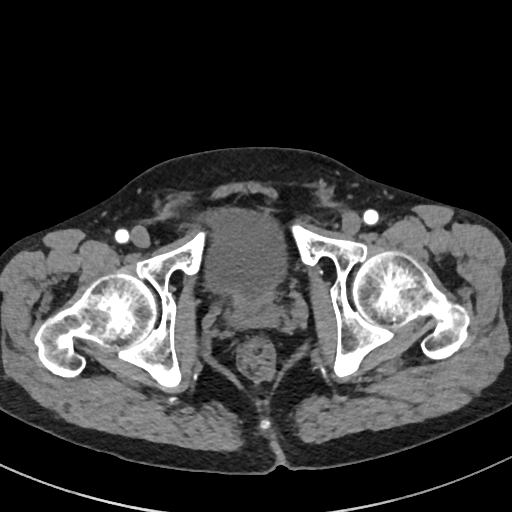
Computed tomography, abdomen. Axial slice 31/303. W/L 400/40 HU
Bounding boxes in pixels, one row per box: x1, y1 is the top-left corner and x2, y2 the bottom-right.
| organ | x1 | y1 | x2 | y2 |
|---|---|---|---|---|
| bladder | 205 | 206 | 290 | 297 |
| prostate/uterus | 231 | 294 | 265 | 310 |